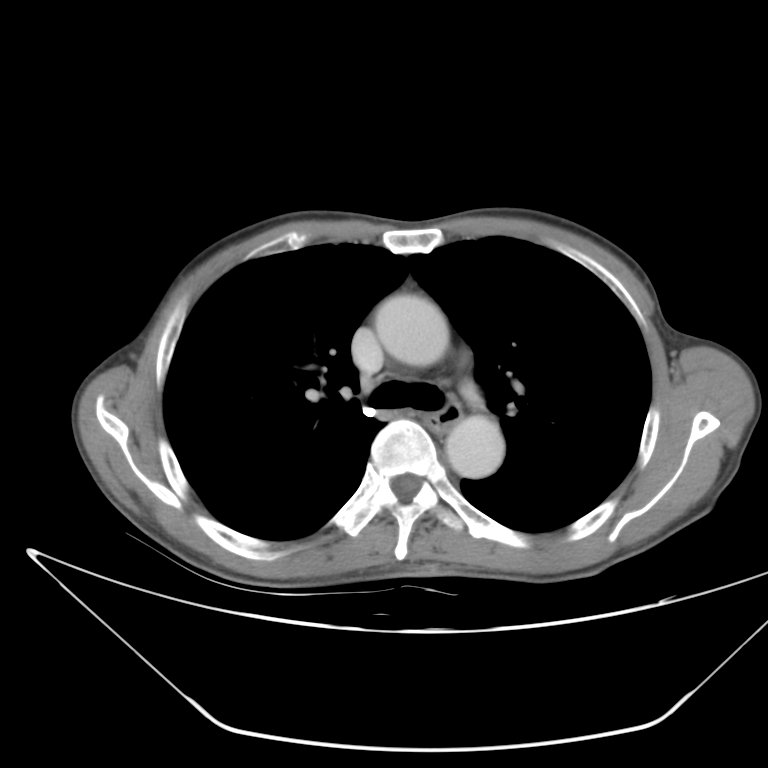 Chest-level CT slice, above the liver and spleen. axial view. 62-year-old male patient
On a slice this high in the chest, this dataset labels only the esophagus and the aorta, and each is boxed only where it is labeled; the heart, lungs and other chest structures are not labeled.
Box edges are left/top/right/bottom in pixels.
Organ bounding boxes:
- aorta: left=374, top=296, right=446, bottom=365
- aorta: left=445, top=416, right=504, bottom=480
- esophagus: left=421, top=405, right=460, bottom=433